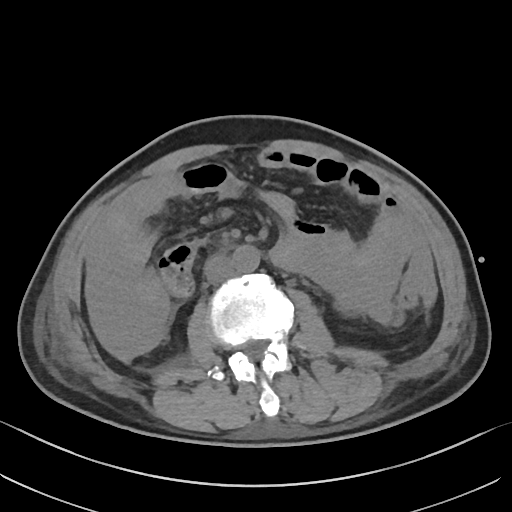

CT, abdomen/pelvis · Axial slice 50/100 · 512x512 px · scan has 15 labeled organs (a whole-scan count: organs this slice does not pass through have no box)
Organ boxes in pixel coordinates; each row gives the top-left (x1, y1) and bottom-right (x2, y2) corners.
| organ | x1 | y1 | x2 | y2 |
|---|---|---|---|---|
| aorta | 232 | 245 | 259 | 272 |
| inferior vena cava | 203 | 255 | 234 | 284 |